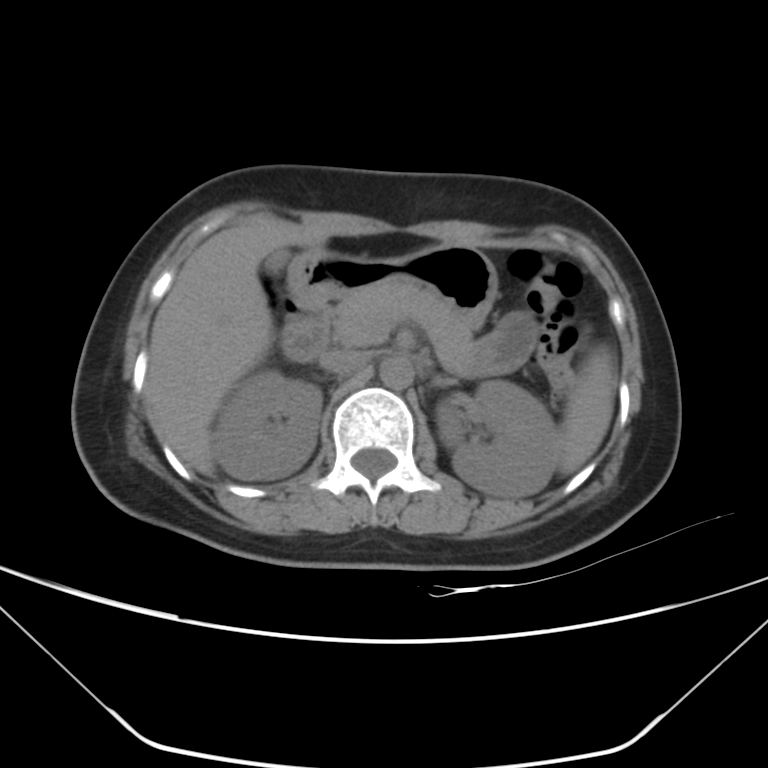
CT, abdomen/pelvis. axial view. abdomen soft-tissue window
Organ boxes in pixel coordinates; each row gives the top-left (x1, y1) and bottom-right (x2, y2) corners.
| organ | x1 | y1 | x2 | y2 |
|---|---|---|---|---|
| gall bladder | 264 | 249 | 288 | 275 |
| inferior vena cava | 320 | 350 | 368 | 375 |
| left adrenal gland | 440 | 378 | 460 | 384 |
| pancreas | 333 | 279 | 471 | 371 |
| aorta | 379 | 357 | 413 | 390 |
| right kidney | 213 | 369 | 322 | 479 |
| liver | 145 | 218 | 434 | 474 |
| left kidney | 435 | 381 | 557 | 498 |
| spleen | 557 | 351 | 615 | 474 |
| stomach | 288 | 245 | 498 | 327 |
| duodenum | 280 | 287 | 329 | 361 |